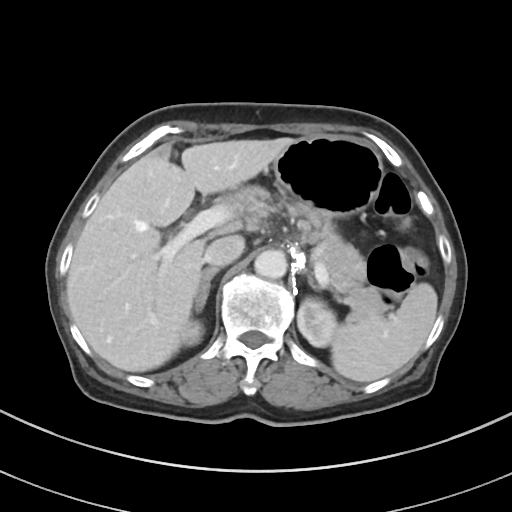
CT abdomen. axial view. soft-tissue window (W 400 / L 40). 512x512 px
Bounding boxes as [x1, y1, x2, y2] in pixel coordinates.
spleen: [331, 282, 437, 382]
right kidney: [182, 320, 203, 345]
left kidney: [297, 298, 336, 347]
liver: [66, 137, 294, 372]
stomach: [273, 135, 383, 218]
aorta: [254, 250, 286, 278]
inferior vena cava: [204, 235, 244, 266]
pancreas: [242, 187, 389, 320]
right adrenal gland: [195, 267, 219, 311]
left adrenal gland: [305, 270, 318, 288]